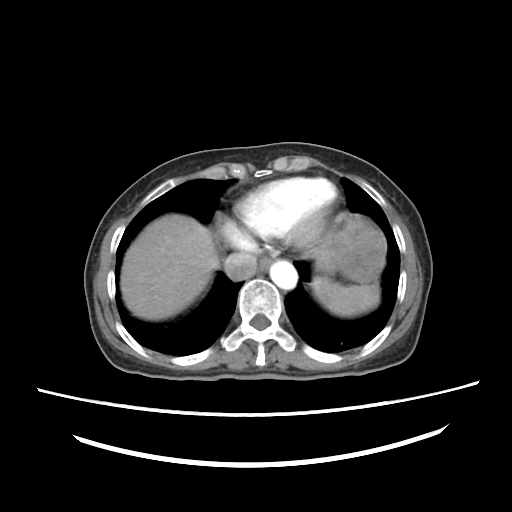

CT abdomen; Axial slice 78/82; 15 organs annotated in this scan (that count is for the whole scan; organs this slice misses have no box)
<organs><organ name="esophagus" x1="259" y1="255" x2="271" y2="271"/><organ name="spleen" x1="313" y1="276" x2="379" y2="314"/><organ name="aorta" x1="270" y1="261" x2="298" y2="291"/><organ name="stomach" x1="317" y1="218" x2="387" y2="281"/><organ name="liver" x1="121" y1="215" x2="217" y2="319"/><organ name="inferior vena cava" x1="224" y1="251" x2="256" y2="279"/></organs>